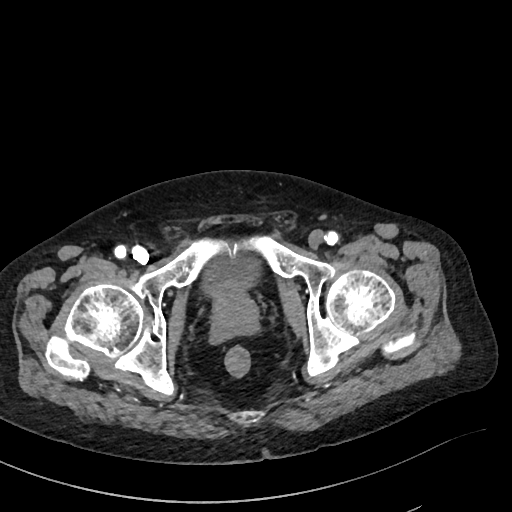 Abdominal CT; axial view; scan has 15 labeled organs (counted over the whole 3D scan, not this slice; an organ is boxed only where this slice passes through it)
Each box given as x1,y1,x2,y2.
Organ bounding boxes:
- bladder: x1=205, y1=259, x2=257, y2=295
- prostate/uterus: x1=212, y1=289, x2=258, y2=333